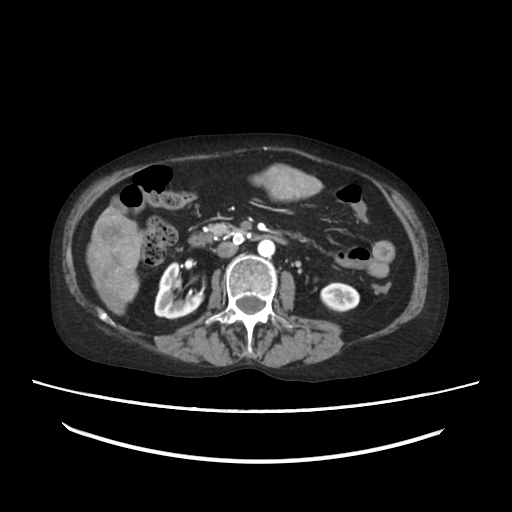 CT abdomen — axial plane, index 53 — soft-tissue window (W 400 / L 40) — 512x512 px — 61-year-old female patient
Each box given as x1,y1,x2,y2.
Organ bounding boxes:
- right kidney: x1=155, y1=264, x2=202, y2=318
- left kidney: x1=320, y1=282, x2=359, y2=310
- pancreas: x1=208, y1=222, x2=237, y2=238
- aorta: x1=258, y1=240, x2=275, y2=256
- duodenum: x1=187, y1=230, x2=288, y2=246
- liver: x1=86, y1=163, x2=321, y2=314
- inferior vena cava: x1=218, y1=242, x2=236, y2=255